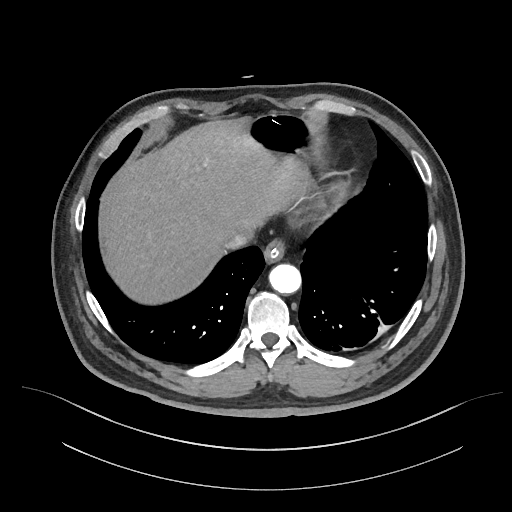

CT, abdomen/pelvis · axial view · soft-tissue window
Boxes are (x1, y1, x2, y2) in pixels.
Organ bounding boxes:
- aorta: (270, 264, 301, 294)
- esophagus: (263, 241, 284, 264)
- liver: (99, 120, 308, 304)
- stomach: (246, 114, 311, 155)
- inferior vena cava: (223, 229, 256, 248)